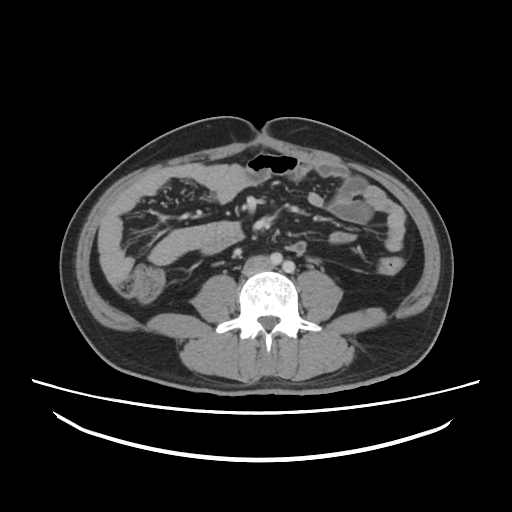 CT abdomen. axial view. soft-tissue window (W 400 / L 40)
Coordinates as <box>x1,y1,x2,y2</box> in pixels.
Organ bounding boxes:
- inferior vena cava: <box>243,255,270,275</box>